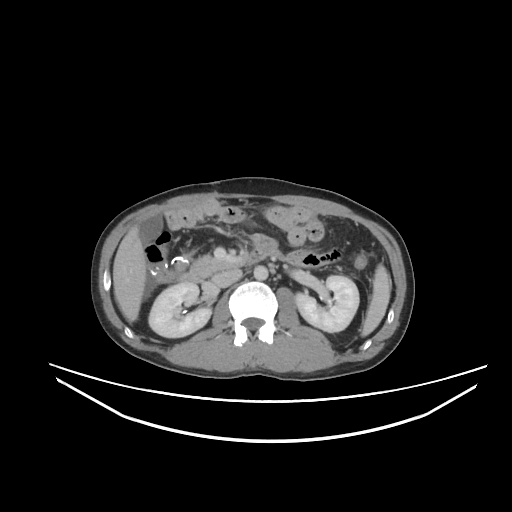 CT, abdomen/pelvis · axial plane, index 63 · 512x512 px · 47-year-old male patient · acquired on Aquilion ONE
<organs><organ name="aorta" x1="254" y1="265" x2="268" y2="280"/><organ name="duodenum" x1="178" y1="237" x2="282" y2="282"/><organ name="spleen" x1="361" y1="264" x2="390" y2="336"/><organ name="pancreas" x1="191" y1="255" x2="234" y2="275"/><organ name="left kidney" x1="295" y1="275" x2="359" y2="332"/><organ name="gall bladder" x1="140" y1="215" x2="162" y2="243"/><organ name="liver" x1="113" y1="225" x2="146" y2="322"/><organ name="right kidney" x1="148" y1="283" x2="211" y2="337"/><organ name="inferior vena cava" x1="212" y1="269" x2="242" y2="287"/></organs>